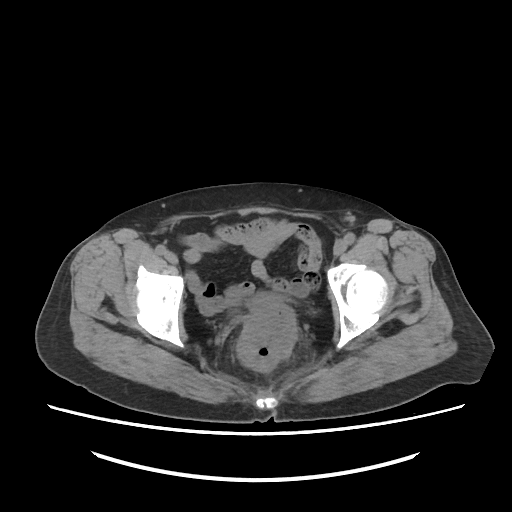

CT, abdomen/pelvis; Axial slice 17/85; abdomen soft-tissue window
Each box given as x1,y1,x2,y2.
Organ bounding boxes:
- bladder: x1=252, y1=292, x2=291, y2=305